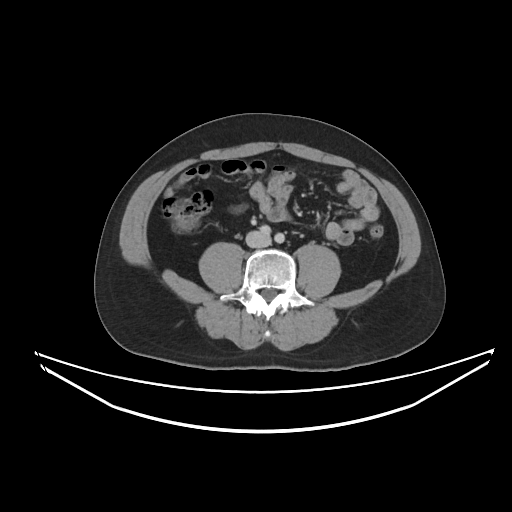

CT abdomen — axial plane, index 43 — 512x512 px — 40-year-old male patient
One row per box, in pixels: columns x1 and y1 give the top-left corner, x2 and y2 the bottom-right.
| organ | x1 | y1 | x2 | y2 |
|---|---|---|---|---|
| inferior vena cava | 245 | 231 | 270 | 247 |